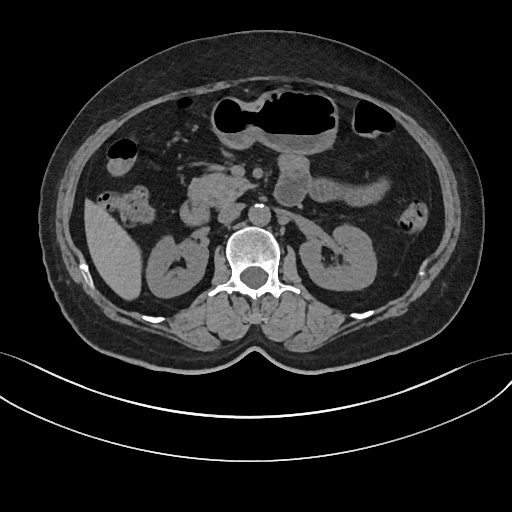
Computed tomography, abdomen · axial plane, index 132 · W/L 400/40 HU · 512x512 px · SOMATOM Force scanner
Boxes: x1 y1 x2 y2 (pixel coords, space-separated). Labeled organs on this slice: left kidney at 299 227 375 291, pancreas at 188 173 362 222, stomach at 210 88 338 154, inferior vena cava at 217 203 243 223, right kidney at 147 238 208 298, duodenum at 180 176 304 224, liver at 83 198 141 299, aorta at 249 204 271 225.